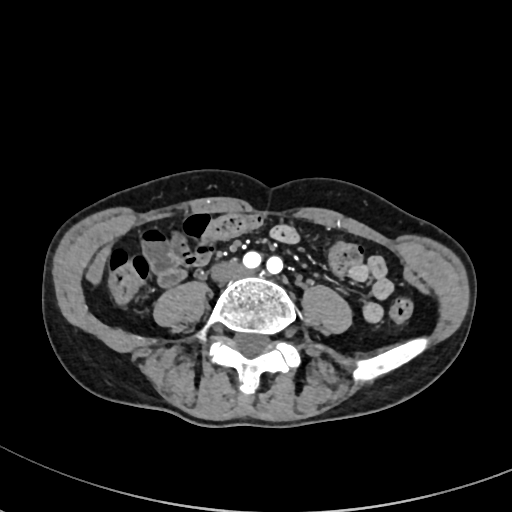
Computed tomography, abdomen; axial view; soft-tissue window (W 400 / L 40); 512x512 px; acquired on SOMATOM Force
<organs><organ name="inferior vena cava" x1="211" y1="260" x2="244" y2="281"/></organs>